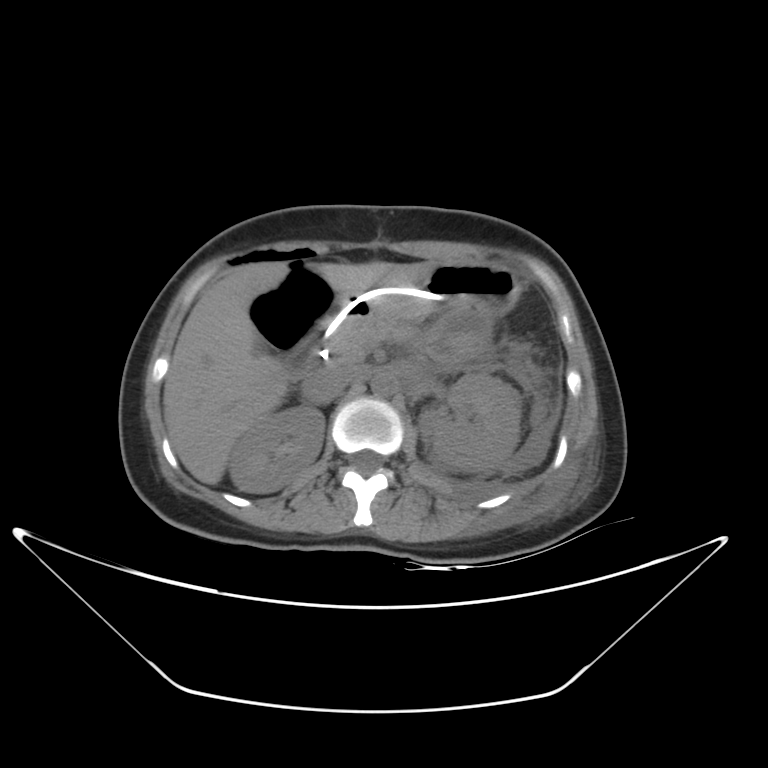 CT, abdomen/pelvis. axial view. W/L 400/40 HU
Boxes are (x1, y1, x2, y2) in pixels. The annotated organs in this slice are: stomach at (351, 260, 519, 321), left kidney at (418, 373, 520, 472), right kidney at (229, 406, 325, 492), inferior vena cava at (303, 369, 352, 404), pancreas at (325, 283, 408, 368), aorta at (370, 373, 396, 396), liver at (162, 261, 424, 484), duodenum at (287, 295, 367, 380).